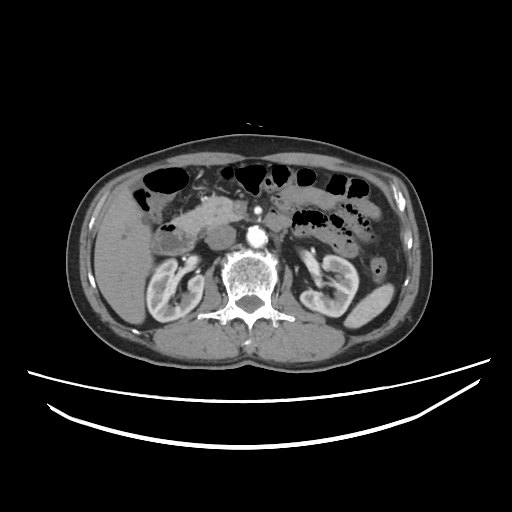 CT, abdomen/pelvis. Axial slice 34/109. abdomen soft-tissue window. 63-year-old male patient. scan has 13 labeled organs (a whole-scan count: organs this slice does not pass through have no box)
Organ boxes in pixel coordinates; each row gives the top-left (x1, y1) and bottom-right (x2, y2) corners.
| organ | x1 | y1 | x2 | y2 |
|---|---|---|---|---|
| spleen | 344 | 284 | 394 | 328 |
| right kidney | 146 | 258 | 204 | 321 |
| left kidney | 300 | 255 | 358 | 317 |
| gall bladder | 132 | 180 | 141 | 189 |
| liver | 94 | 185 | 153 | 324 |
| aorta | 246 | 226 | 267 | 247 |
| inferior vena cava | 205 | 225 | 235 | 250 |
| pancreas | 174 | 196 | 246 | 234 |
| duodenum | 151 | 212 | 291 | 254 |